CT abdomen — Axial slice 62/68 — 768x768 px — 15 organs annotated in this scan (counted over the whole 3D scan, not this slice; an organ is boxed only where this slice passes through it)
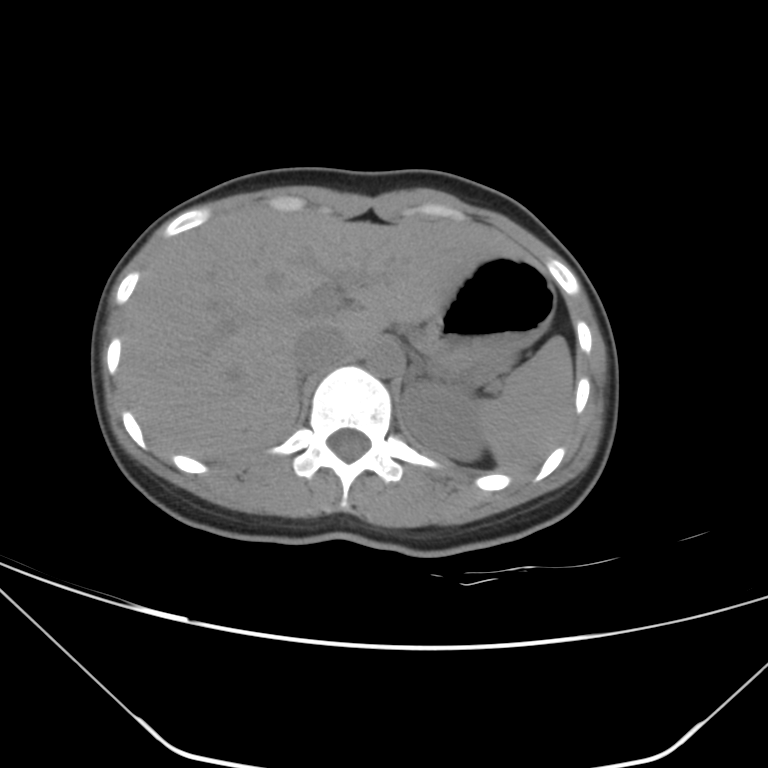
<organs><organ name="spleen" x1="478" y1="335" x2="574" y2="472"/><organ name="left kidney" x1="400" y1="381" x2="484" y2="462"/><organ name="liver" x1="121" y1="209" x2="524" y2="460"/><organ name="stomach" x1="416" y1="257" x2="556" y2="382"/><organ name="aorta" x1="366" y1="343" x2="401" y2="377"/><organ name="inferior vena cava" x1="292" y1="328" x2="349" y2="372"/><organ name="right adrenal gland" x1="297" y1="380" x2="301" y2="413"/><organ name="left adrenal gland" x1="406" y1="368" x2="420" y2="386"/></organs>